Computed tomography, abdomen. Axial slice 65/134. 512x512 px. 46-year-old male patient
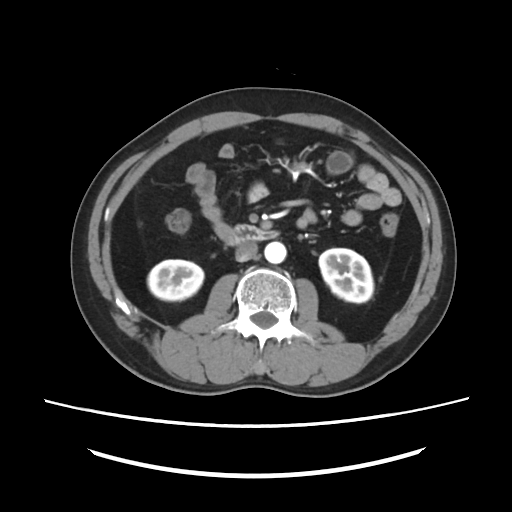 {"organs":{"right kidney":[147,259,203,300],"left kidney":[319,248,373,302],"aorta":[264,241,286,263],"inferior vena cava":[235,242,258,261],"duodenum":[226,225,279,245]}}